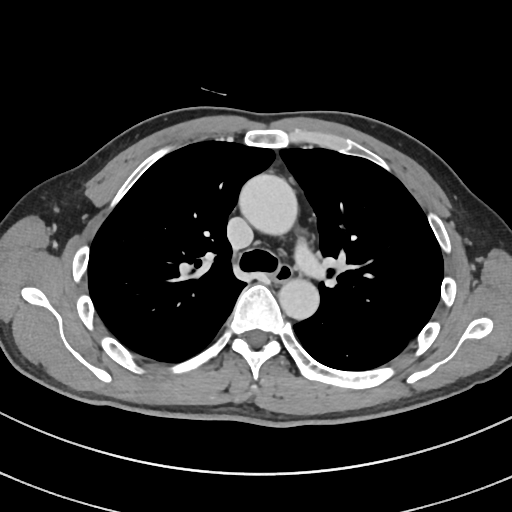 CT of the abdomen extending into the chest, slice through the chest. axial view. W/L 400/40 HU
At this level of the chest this dataset labels only the esophagus and the aorta, and each is boxed only where it is labeled; the heart and lungs are never labeled.
Organ boxes in pixel coordinates; each row gives the top-left (x1, y1) and bottom-right (x2, y2) corners.
| organ | x1 | y1 | x2 | y2 |
|---|---|---|---|---|
| esophagus | 270 | 263 | 292 | 281 |
| aorta | 239 | 174 | 298 | 238 |
| aorta | 277 | 276 | 319 | 318 |